Computed tomography, abdomen · axial view
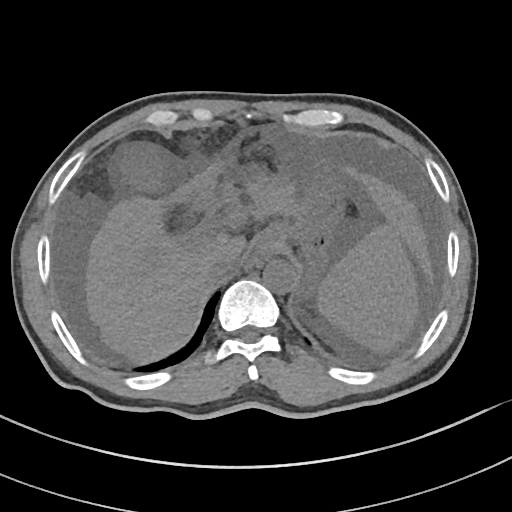 <organs><organ name="esophagus" x1="254" y1="245" x2="272" y2="256"/><organ name="stomach" x1="257" y1="156" x2="360" y2="299"/><organ name="inferior vena cava" x1="205" y1="253" x2="237" y2="281"/><organ name="gall bladder" x1="122" y1="149" x2="164" y2="191"/><organ name="aorta" x1="262" y1="259" x2="296" y2="292"/><organ name="spleen" x1="318" y1="222" x2="419" y2="354"/><organ name="liver" x1="82" y1="175" x2="435" y2="364"/></organs>